CT abdomen · axial view · soft-tissue window
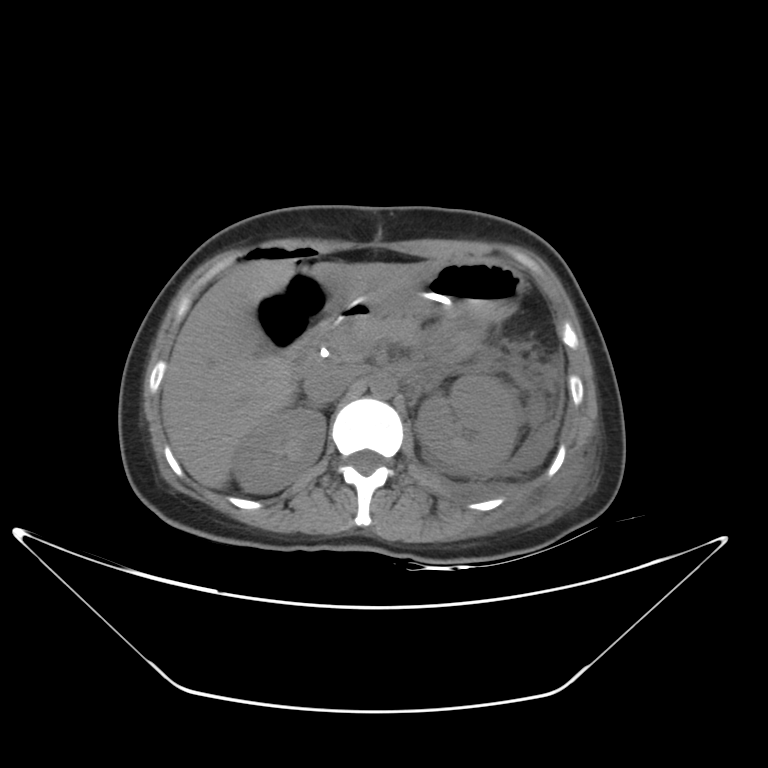

Coordinates as <box>x1,y1,x2,y2</box> in pixels.
Organ bounding boxes:
- right kidney: <box>233,407,325,492</box>
- left kidney: <box>414,374,521,475</box>
- liver: <box>161,259,444,488</box>
- stomach: <box>366,261,522,321</box>
- aorta: <box>370,374,396,398</box>
- inferior vena cava: <box>304,367,354,405</box>
- pancreas: <box>327,314,421,364</box>
- duodenum: <box>285,301,369,376</box>